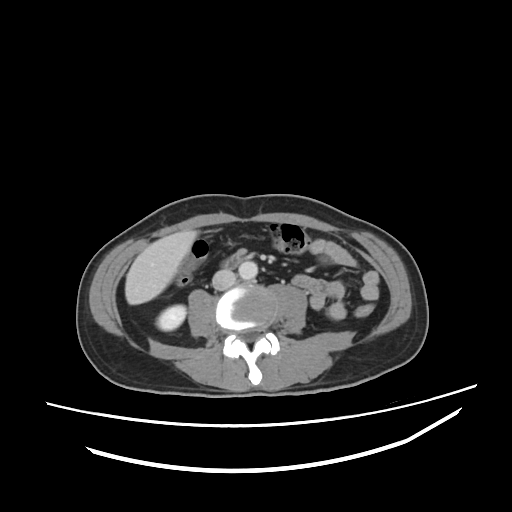
CT abdomen; axial view; soft-tissue window; 512x512 px
Bounding boxes in pixels, one row per box: x1, y1 is the top-left corner and x2, y2 the bottom-right.
| organ | x1 | y1 | x2 | y2 |
|---|---|---|---|---|
| right kidney | 156 | 305 | 185 | 330 |
| liver | 125 | 230 | 197 | 304 |
| aorta | 238 | 261 | 257 | 279 |
| inferior vena cava | 212 | 269 | 236 | 290 |
| duodenum | 223 | 254 | 242 | 269 |